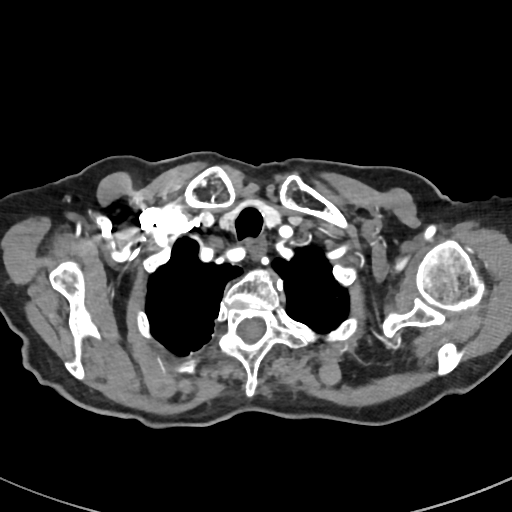
Chest-level slice from an abdominal CT that extends up into the chest · Axial slice 264/279
At this level of the chest this dataset labels only the esophagus and the aorta, and each is boxed only where it is labeled; the heart and lungs are never labeled. Each box given as x1,y1,x2,y2. The annotated organs in this slice are: esophagus at x1=248, y1=244, x2=263, y2=261.